CT abdomen — axial view — 512x512 px — acquired on SOMATOM Force
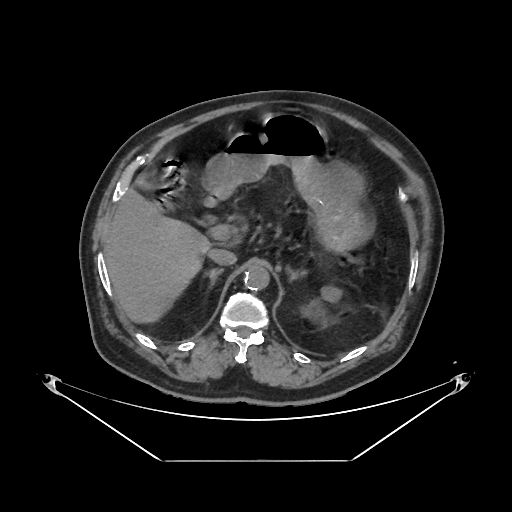 Boxes: x1:y1:x2:y2 in pixels.
left kidney: 303:286:341:329
liver: 105:188:209:320
stomach: 201:113:365:249
aorta: 243:265:268:290
inferior vena cava: 208:248:236:264
right adrenal gland: 207:266:223:285
left adrenal gland: 288:268:308:281
duodenum: 203:192:224:208